CT, abdomen/pelvis — axial view — abdomen soft-tissue window — 512x512 px — acquired on Aquilion ONE
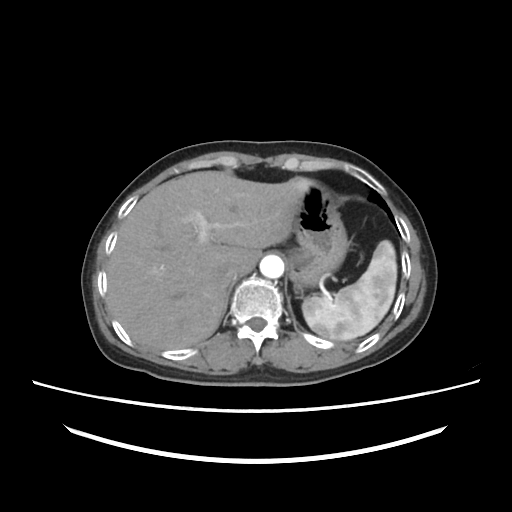 <organs><organ name="spleen" x1="302" y1="240" x2="396" y2="340"/><organ name="liver" x1="107" y1="171" x2="311" y2="350"/><organ name="stomach" x1="289" y1="182" x2="348" y2="291"/><organ name="aorta" x1="260" y1="255" x2="284" y2="278"/><organ name="inferior vena cava" x1="218" y1="266" x2="237" y2="282"/></organs>